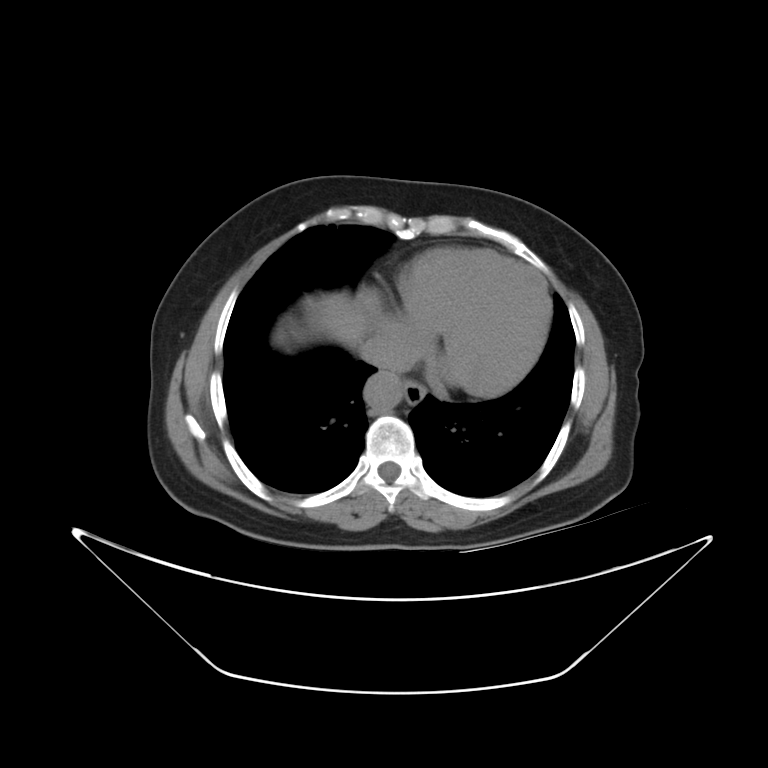

Computed tomography, abdomen; Axial slice 85/91
<organs><organ name="aorta" x1="364" y1="370" x2="402" y2="411"/><organ name="esophagus" x1="403" y1="382" x2="425" y2="404"/><organ name="inferior vena cava" x1="363" y1="338" x2="419" y2="372"/><organ name="liver" x1="301" y1="290" x2="381" y2="350"/></organs>